CT of the abdomen reaching into the lower chest, slice just above the liver and spleen — Axial slice 100/104 — 768x768 px — 53-year-old male patient — scan has 15 labeled organs (a whole-scan count: organs this slice does not pass through have no box)
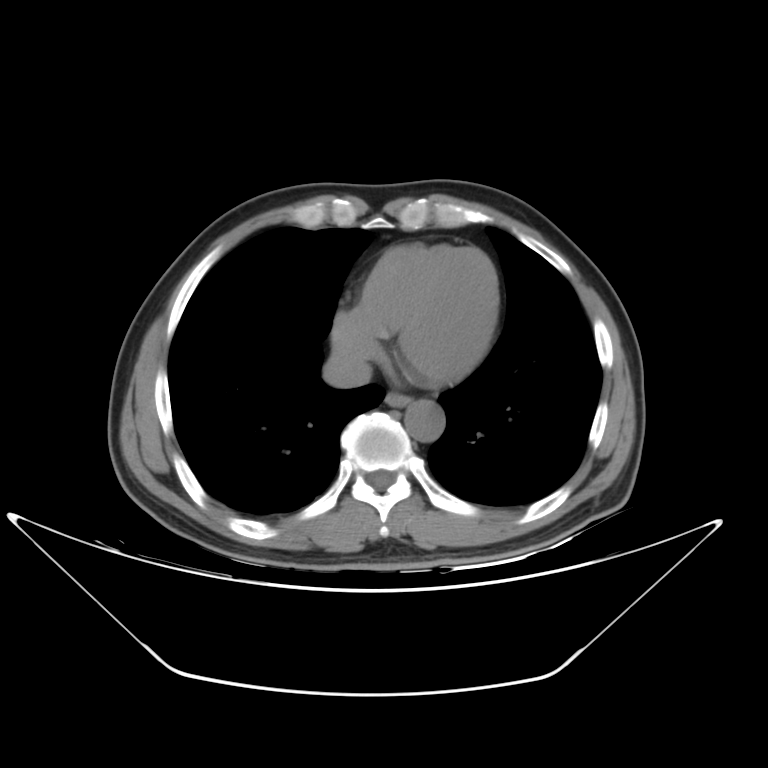

Of the structures in the chest, this dataset labels only the esophagus, the aorta and the inferior vena cava; the heart and lungs have no label.
Organ boxes in pixel coordinates; each row gives the top-left (x1, y1) and bottom-right (x2, y2) corners.
| organ | x1 | y1 | x2 | y2 |
|---|---|---|---|---|
| esophagus | 385 | 394 | 410 | 405 |
| aorta | 405 | 401 | 443 | 441 |
| inferior vena cava | 323 | 350 | 369 | 387 |